CT, abdomen/pelvis; Axial slice 192/207; SOMATOM Force scanner; 15 organs annotated in this scan (a whole-scan count: organs this slice does not pass through have no box)
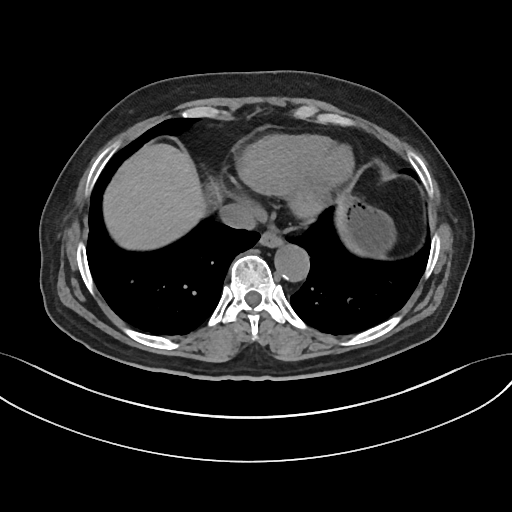

One row per box, in pixels: columns x1 and y1 give the top-left corner, x2 and y2 the bottom-right.
| organ | x1 | y1 | x2 | y2 |
|---|---|---|---|---|
| aorta | 274 | 243 | 308 | 280 |
| inferior vena cava | 219 | 203 | 258 | 228 |
| stomach | 335 | 193 | 397 | 258 |
| liver | 102 | 143 | 205 | 249 |
| esophagus | 259 | 231 | 282 | 246 |